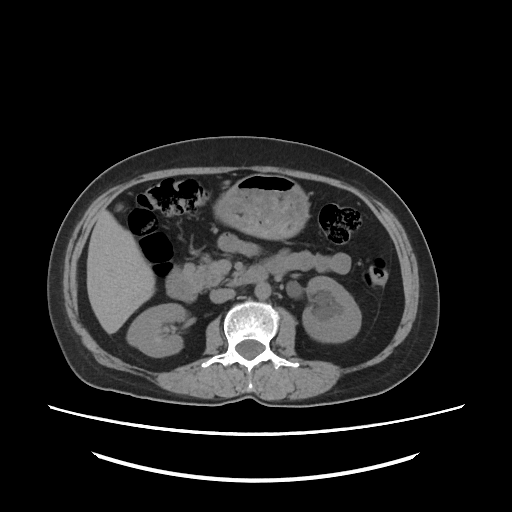
CT, abdomen/pelvis; axial view; abdomen soft-tissue window; acquired on Aquilion ONE
Each box given as x1,y1,x2,y2.
Organ bounding boxes:
- right kidney: x1=126, y1=302, x2=189, y2=357
- left kidney: x1=302, y1=275, x2=360, y2=343
- gall bladder: x1=115, y1=203, x2=124, y2=212
- liver: x1=87, y1=210, x2=155, y2=333
- stomach: x1=215, y1=173, x2=310, y2=239
- aorta: x1=254, y1=282, x2=271, y2=298
- inferior vena cava: x1=210, y1=288, x2=235, y2=301
- pancreas: x1=183, y1=253, x2=220, y2=286
- duodenum: x1=167, y1=265, x2=267, y2=299